CT, abdomen/pelvis; axial view; W/L 400/40 HU; 512x512 px; scan has 15 labeled organs (that count is for the whole scan; organs this slice misses have no box)
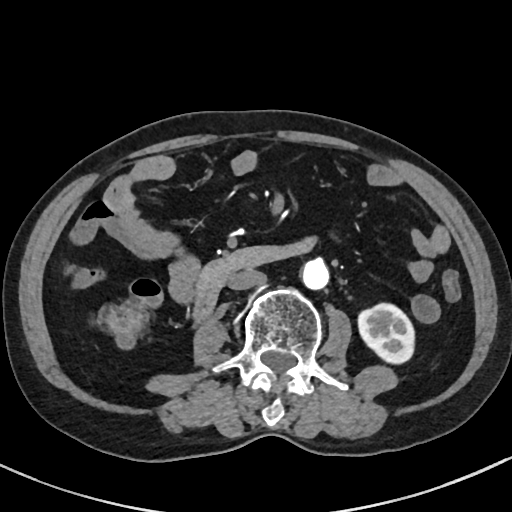

Bounding boxes as [x1, y1, x2, y2] in pixel coordinates.
aorta: [302, 258, 329, 289]
inferior vena cava: [228, 269, 266, 290]
duodenum: [192, 235, 315, 322]
left kidney: [358, 303, 414, 363]